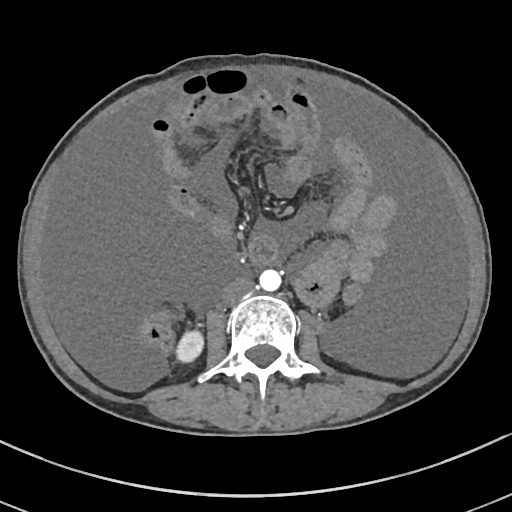 CT abdomen · axial plane, index 118 · 512x512 px · 15 organs annotated in this scan (a whole-scan count: organs this slice does not pass through have no box)
{"organs":{"aorta":[259,269,281,291],"inferior vena cava":[222,277,253,304],"right kidney":[176,331,203,362]}}